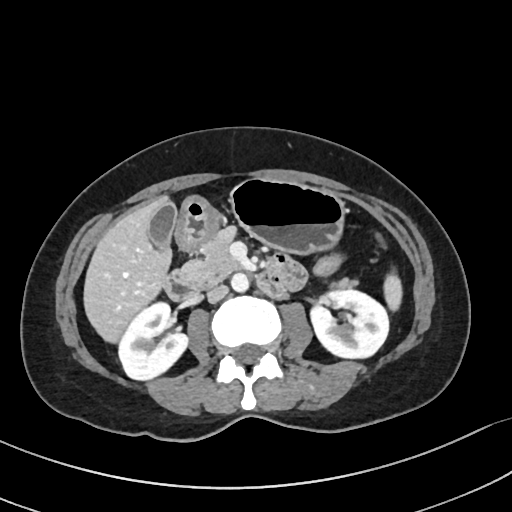 Abdominal CT; axial view; 512x512 px
Bounding boxes as [x1, y1, x2, y2] in pixel coordinates. Labeled organs on this slice: spleen at [383, 273, 401, 311], right kidney at [119, 302, 188, 381], left kidney at [311, 289, 388, 359], gall bladder at [148, 203, 177, 247], liver at [83, 196, 172, 345], stomach at [175, 178, 347, 254], aorta at [231, 273, 249, 293], inferior vena cava at [207, 285, 228, 302], pancreas at [181, 227, 359, 288], duodenum at [165, 254, 308, 301].